CT abdomen. axial view. W/L 400/40 HU. 512x512 px. 15 organs annotated in this scan (a whole-scan count: organs this slice does not pass through have no box)
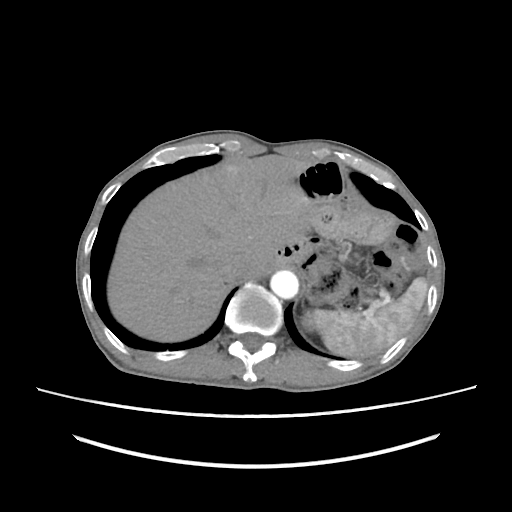 Boxes are (x1, y1, x2, y2) in pixels.
Organ bounding boxes:
- liver: (108, 155, 313, 341)
- left kidney: (302, 312, 317, 330)
- aorta: (270, 270, 298, 298)
- spleen: (314, 277, 427, 356)
- inferior vena cava: (221, 256, 247, 280)